Lower-chest slice from an abdominal CT, just above the liver and spleen — Axial slice 61/109 — 512x512 px
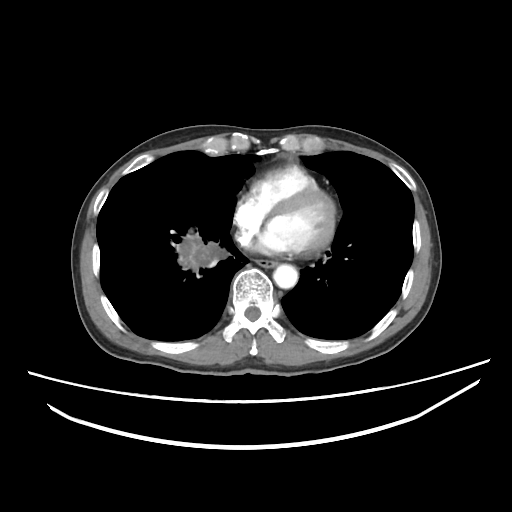

The heart and lungs are never labeled in this dataset, so they have no box on this slice. Box edges are left/top/right/bottom in pixels. 2 labeled organs on this slice — esophagus at left=256, top=260, right=277, bottom=267; aorta at left=273, top=264, right=298, bottom=288.